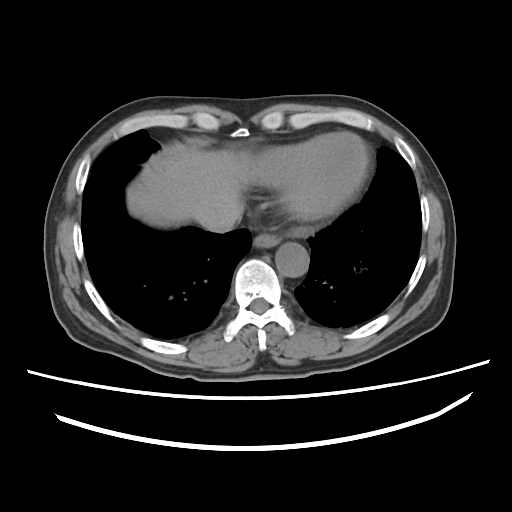 Abdominal CT. axial view. abdomen soft-tissue window. 512x512 px. 48-year-old male patient
Organ boxes in pixel coordinates; each row gives the top-left (x1, y1) and bottom-right (x2, y2) corners.
| organ | x1 | y1 | x2 | y2 |
|---|---|---|---|---|
| esophagus | 253 | 233 | 280 | 247 |
| liver | 127 | 148 | 253 | 227 |
| aorta | 275 | 242 | 309 | 277 |
| inferior vena cava | 200 | 214 | 241 | 232 |